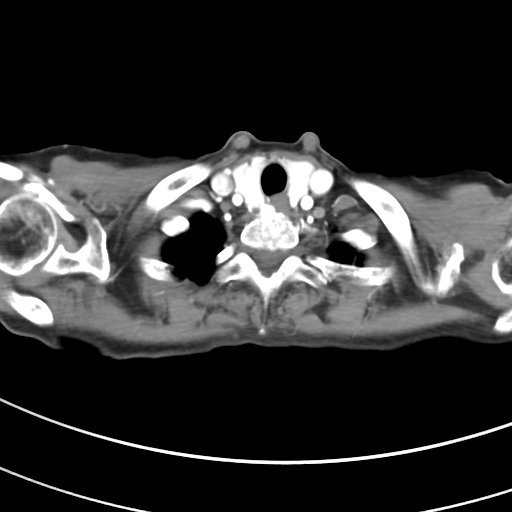
CT of the abdomen extending into the chest, slice through the chest · axial view
At this level of the chest this dataset labels only the esophagus and the aorta, and each is boxed only where it is labeled; the heart and lungs are never labeled. Each box given as x1,y1,x2,y2. 1 labeled organ on this slice — esophagus at x1=272, y1=195, x2=289, y2=213.